CT, abdomen/pelvis; axial view; 768x768 px; 80-year-old female patient
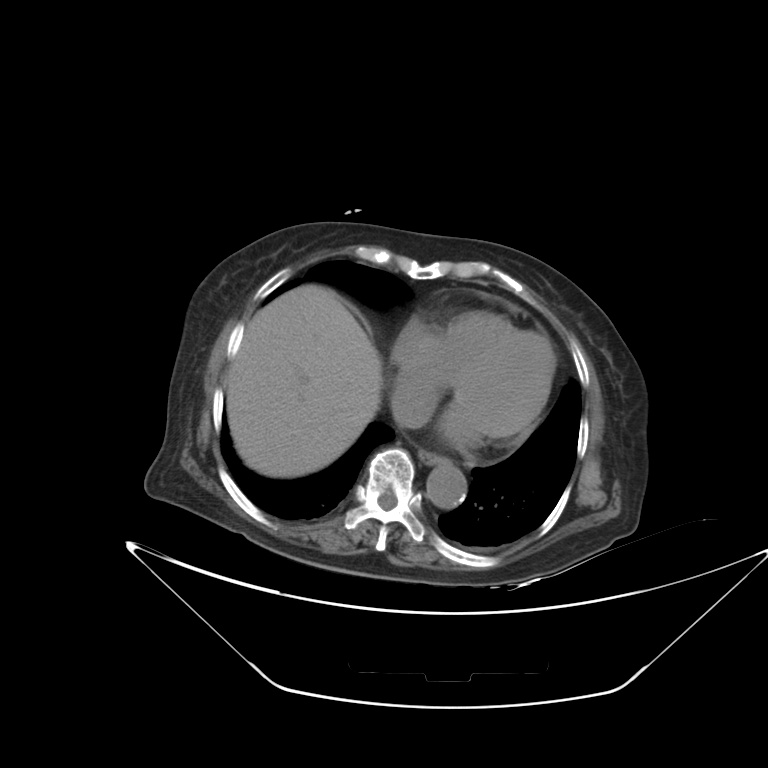 <organs><organ name="esophagus" x1="418" y1="449" x2="445" y2="464"/><organ name="liver" x1="226" y1="285" x2="382" y2="477"/><organ name="aorta" x1="426" y1="461" x2="466" y2="509"/><organ name="inferior vena cava" x1="391" y1="389" x2="431" y2="428"/></organs>